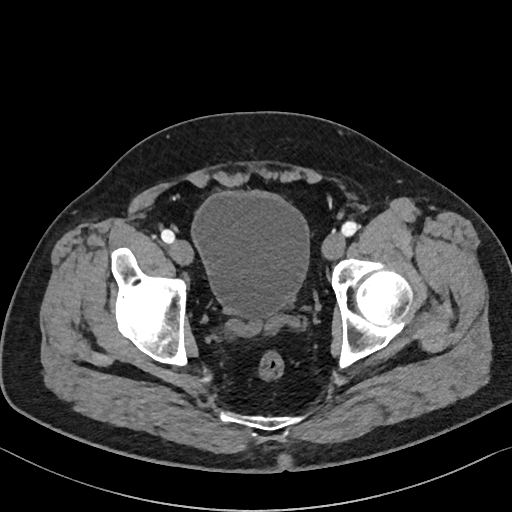
CT, abdomen/pelvis; axial view
Bounding boxes as [x1, y1, x2, y2] in pixel coordinates. 1 labeled organ on this slice — bladder at [191, 192, 309, 317].